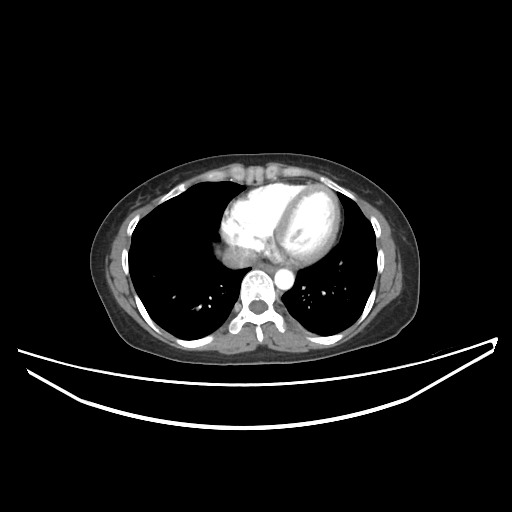
Abdominal CT; this slice is in the lower chest, just above the liver; axial view; W/L 400/40 HU
Of the structures in the chest, this dataset labels only the esophagus, the aorta and the inferior vena cava; the heart and lungs have no label.
Coordinates as <box>x1,y1,x2,y2</box> in pixels.
esophagus: <box>258,262,275,272</box>
inferior vena cava: <box>222,246,257,268</box>
aorta: <box>274,269,293,289</box>